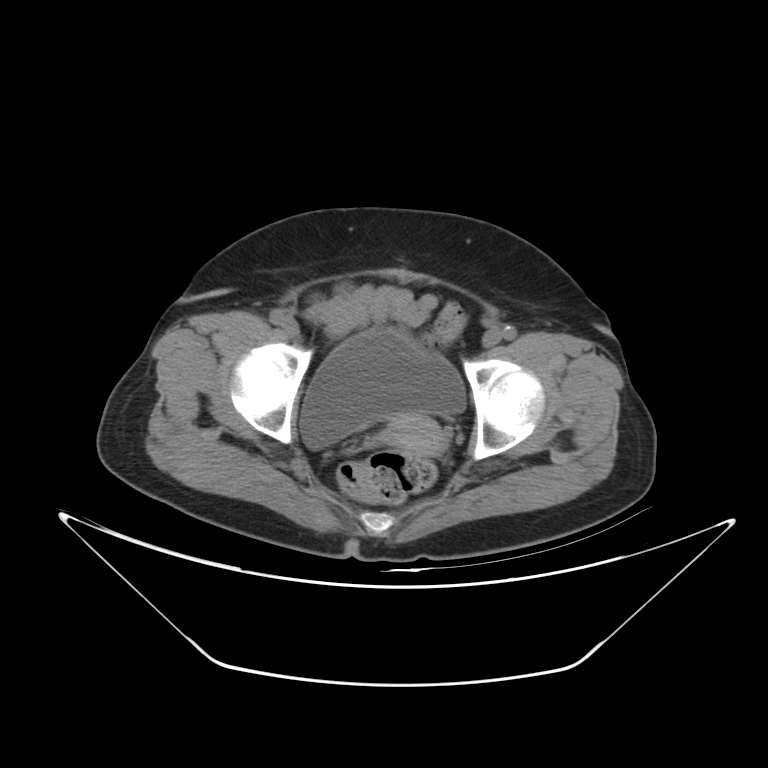 Computed tomography, abdomen; axial plane, index 16; 66-year-old female patient
<organs><organ name="bladder" x1="300" y1="329" x2="465" y2="448"/><organ name="prostate/uterus" x1="382" y1="414" x2="447" y2="456"/></organs>